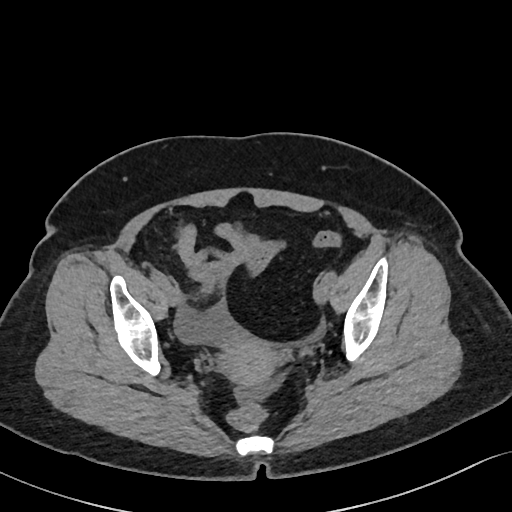

Abdominal CT. axial plane, index 34. soft-tissue window. acquired on SOMATOM Force. scan has 15 labeled organs (a whole-scan count: organs this slice does not pass through have no box)
Boxes: x1:y1:x2:y2 in pixels.
Organ bounding boxes:
- prostate/uterus: 219:338:277:384